Computed tomography, abdomen. Axial slice 21/143. W/L 400/40 HU. 512x512 px
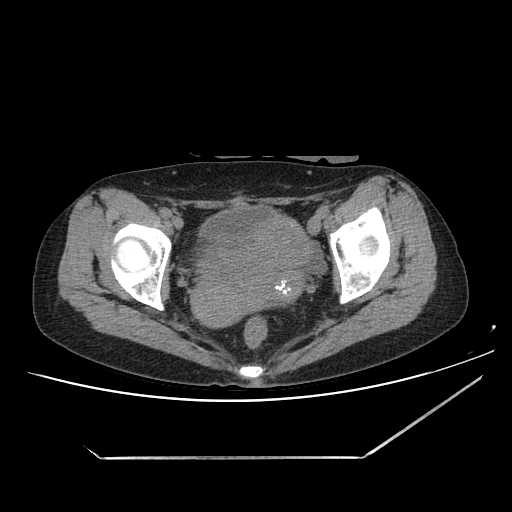

Box edges are left/top/right/bottom in pixels.
Organ bounding boxes:
- bladder: left=201, top=206, right=273, bottom=238
- prostate/uterus: left=191, top=215, right=310, bottom=327